CT of the abdomen reaching into the lower chest, slice just above the liver and spleen; axial plane, index 91; soft-tissue window
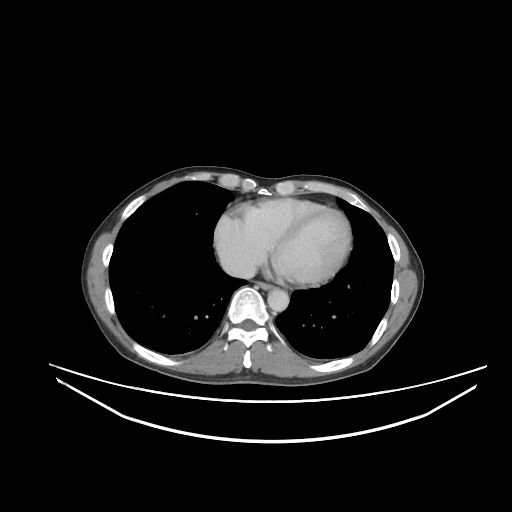

The heart and lungs are never labeled in this dataset, so they have no box on this slice.
{"organs":{"aorta":[267,288,289,311],"inferior vena cava":[222,259,255,278],"esophagus":[257,282,273,289]}}